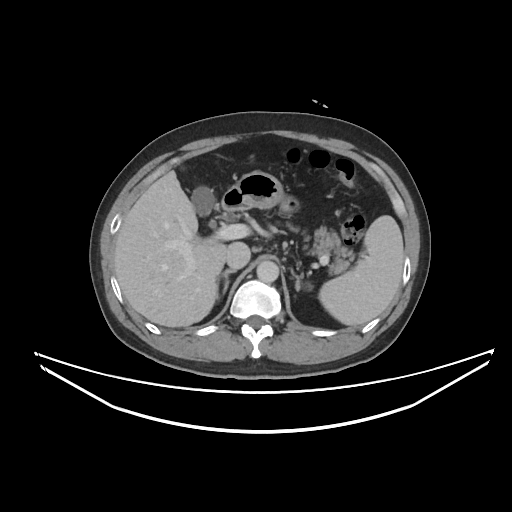 CT abdomen · Axial slice 71/131 · abdomen soft-tissue window · 512x512 px · 40-year-old male patient
Each box given as x1,y1,x2,y2. The annotated organs in this slice are: right adrenal gland at x1=216, y1=269, x2=236, y2=299, gall bladder at x1=191, y1=186, x2=214, y2=216, left adrenal gland at x1=291, y1=270, x2=312, y2=290, liver at x1=114, y1=170, x2=227, y2=327, stomach at x1=231, y1=171, x2=298, y2=212, duodenum at x1=222, y1=189, x2=246, y2=212, spleen at x1=319, y1=215, x2=404, y2=325, pancreas at x1=289, y1=226, x2=353, y2=273, aorta at x1=256, y1=260, x2=278, y2=282, inferior vena cava at x1=226, y1=242, x2=250, y2=269.